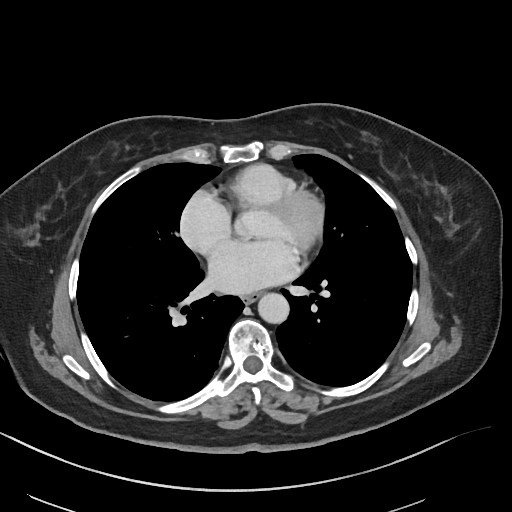

Lower-chest slice from an abdominal CT, just above the liver and spleen. axial view. soft-tissue window (W 400 / L 40). 512x512 px. scan has 15 labeled organs (a whole-scan count: organs this slice does not pass through have no box)
Of the structures in the chest, this dataset labels only the esophagus, the aorta and the inferior vena cava; the heart and lungs have no label.
Coordinates as <box>x1,y1,x2,y2</box> in pixels.
esophagus: <box>242,293,260,303</box>
aorta: <box>258,293,289,323</box>